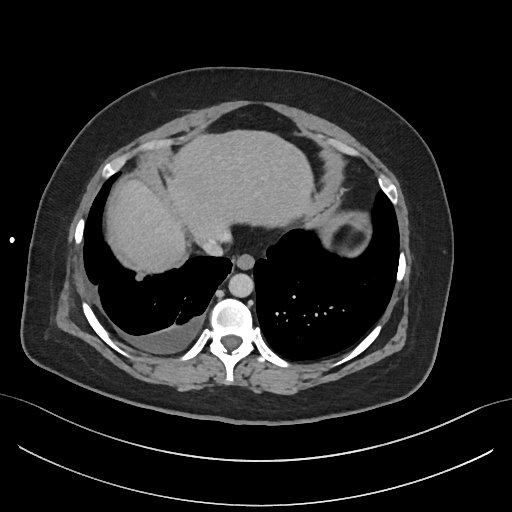
Computed tomography, abdomen · Axial slice 201/305 · soft-tissue window · acquired on SOMATOM Force · 15 organs annotated in this scan (that count is for the whole scan; organs this slice misses have no box)
<organs><organ name="esophagus" x1="235" y1="255" x2="254" y2="270"/><organ name="liver" x1="113" y1="131" x2="312" y2="269"/><organ name="aorta" x1="229" y1="274" x2="254" y2="297"/><organ name="inferior vena cava" x1="200" y1="237" x2="223" y2="256"/></organs>